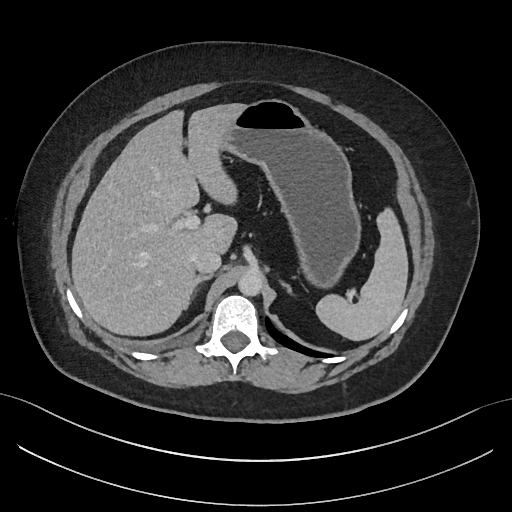

Abdominal CT — Axial slice 170/305 — abdomen soft-tissue window — scan has 15 labeled organs (counted over the whole 3D scan, not this slice; an organ is boxed only where this slice passes through it)
Box edges are left/top/right/bottom in pixels.
aorta: left=238, top=270, right=262, bottom=295
spleen: left=316, top=208, right=408, bottom=340
right adrenal gland: left=185, top=274, right=213, bottom=306
stomach: left=218, top=99, right=358, bottom=287
left adrenal gland: left=277, top=274, right=299, bottom=297
liver: left=71, top=103, right=243, bottom=335
inferior vena cava: left=193, top=249, right=221, bottom=274